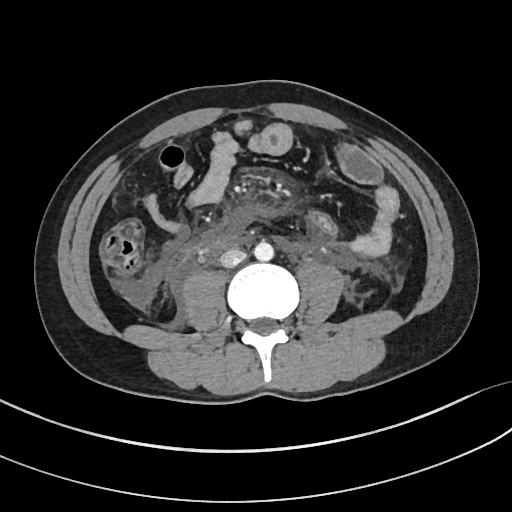

Computed tomography, abdomen · axial view · soft-tissue window
Box edges are left/top/right/bottom in pixels.
Organ bounding boxes:
- aorta: left=254, top=241, right=274, bottom=261
- inferior vena cava: left=220, top=249, right=247, bottom=267